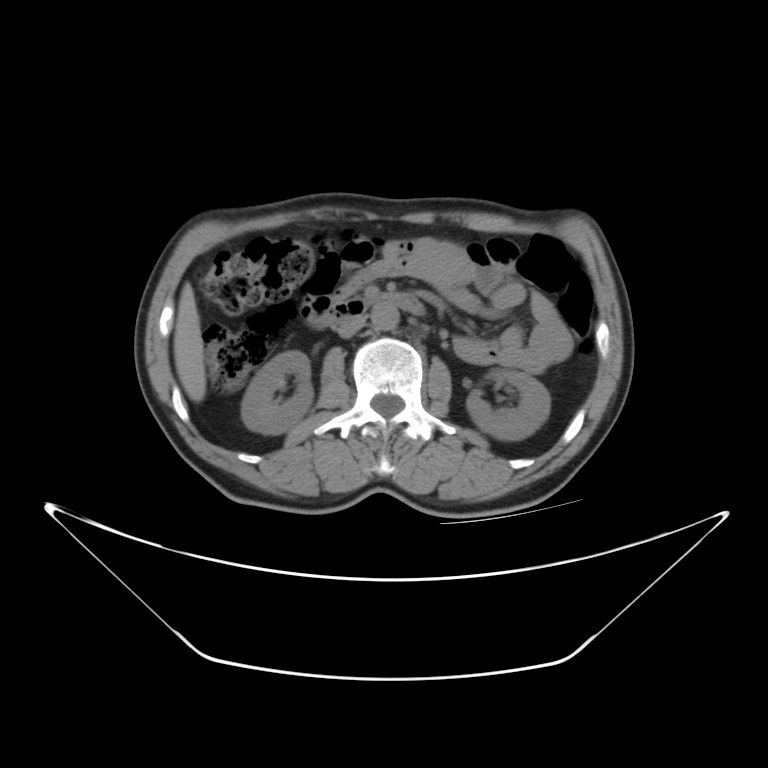 CT abdomen. axial plane, index 57. W/L 400/40 HU
{"organs":{"left kidney":[468,369,548,442],"right kidney":[241,351,313,433],"inferior vena cava":[339,315,368,337],"liver":[174,284,205,401],"aorta":[369,303,400,330],"duodenum":[302,292,423,323]}}